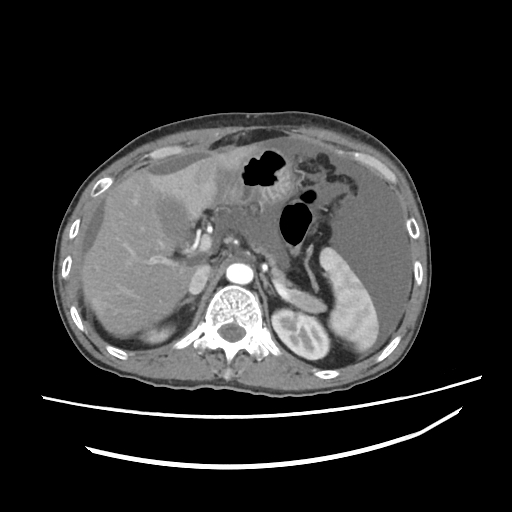
CT, abdomen/pelvis — axial view — soft-tissue window (W 400 / L 40) — 50-year-old male patient
Coordinates as <box>x1,y1,x2,y2</box> in pixels.
spleen: <box>319,248,378,350</box>
right kidney: <box>140,326,173,343</box>
left kidney: <box>272,309,328,358</box>
gall bladder: <box>156,196,191,252</box>
liver: <box>80,142,265,337</box>
stomach: <box>216,146,295,206</box>
aorta: <box>226,263,254,283</box>
inferior vena cava: <box>189,263,211,293</box>
pancreas: <box>253,246,327,311</box>
right adrenal gland: <box>175,296,194,313</box>
left adrenal gland: <box>260,275,273,291</box>